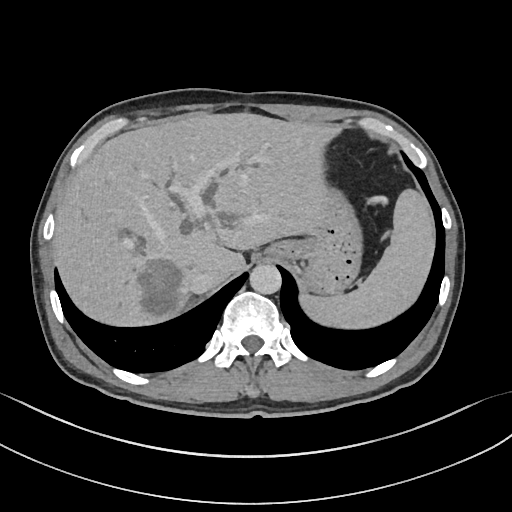 Abdominal CT; axial view; abdomen soft-tissue window
Organ boxes in pixel coordinates; each row gives the top-left (x1, y1) and bottom-right (x2, y2) corners.
| organ | x1 | y1 | x2 | y2 |
|---|---|---|---|---|
| inferior vena cava | 189 | 270 | 217 | 293 |
| spleen | 300 | 189 | 435 | 328 |
| stomach | 268 | 188 | 362 | 294 |
| liver | 52 | 112 | 338 | 326 |
| aorta | 249 | 265 | 281 | 294 |